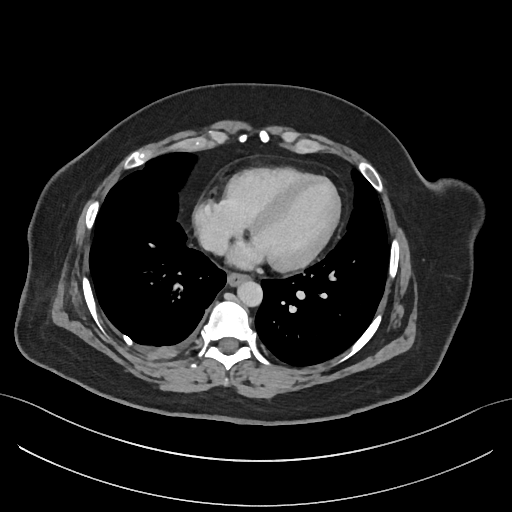 CT of the abdomen reaching into the lower chest, slice just above the liver and spleen; axial view; soft-tissue window; 512x512 px; SOMATOM Force scanner
Of the structures in the chest, this dataset labels only the esophagus, the aorta and the inferior vena cava; the heart and lungs have no label. Coordinates as <box>x1,y1,x2,y2</box> in pixels. 3 labeled organs on this slice — inferior vena cava at <box>200,231,225,249</box>; aorta at <box>237,281,263,307</box>; esophagus at <box>227,274,248,286</box>.